CT, abdomen/pelvis. axial view. W/L 400/40 HU. 512x512 px
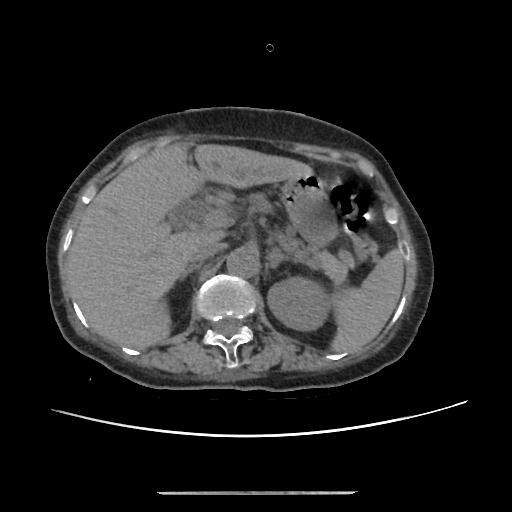

Organ boxes in pixel coordinates; each row gives the top-left (x1, y1) and bottom-right (x2, y2) corners.
| organ | x1 | y1 | x2 | y2 |
|---|---|---|---|---|
| stomach | 280 | 174 | 334 | 243 |
| right adrenal gland | 179 | 267 | 192 | 278 |
| left kidney | 267 | 276 | 327 | 331 |
| left adrenal gland | 268 | 248 | 282 | 265 |
| liver | 67 | 143 | 312 | 348 |
| spleen | 333 | 250 | 403 | 351 |
| pancreas | 222 | 190 | 353 | 281 |
| aorta | 226 | 247 | 257 | 276 |
| inferior vena cava | 188 | 242 | 220 | 267 |